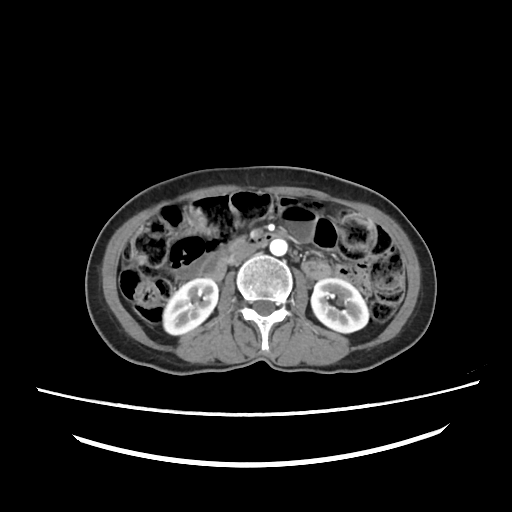
Abdominal CT — axial plane, index 48 — W/L 400/40 HU — 512x512 px — scan has 15 labeled organs (a whole-scan count: organs this slice does not pass through have no box)
Bounding boxes in pixels, one row per box: x1, y1 is the top-left corner and x2, y2 the bottom-right.
| organ | x1 | y1 | x2 | y2 |
|---|---|---|---|---|
| inferior vena cava | 228 | 247 | 256 | 264 |
| pancreas | 226 | 239 | 244 | 249 |
| duodenum | 205 | 232 | 271 | 279 |
| right kidney | 163 | 278 | 217 | 335 |
| aorta | 270 | 238 | 287 | 256 |
| left kidney | 310 | 278 | 369 | 333 |